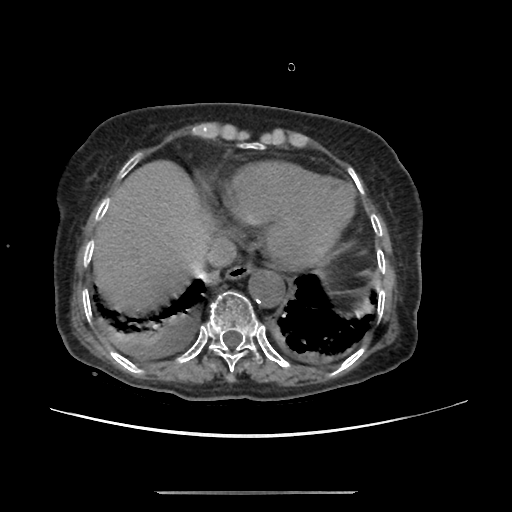 CT, abdomen/pelvis; axial plane, index 310; soft-tissue window (W 400 / L 40)
Each box given as x1,y1,x2,y2.
esophagus: x1=225, y1=261, x2=253, y2=279
liver: x1=93, y1=160, x2=216, y2=311
aorta: x1=248, y1=270, x2=284, y2=306
inferior vena cava: x1=205, y1=235, x2=236, y2=267